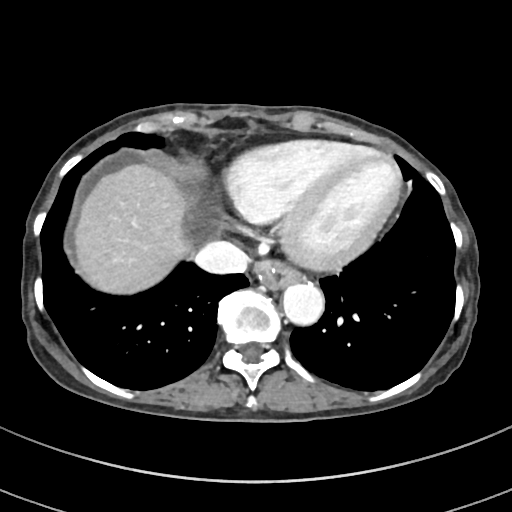 CT, abdomen/pelvis. axial view. W/L 400/40 HU. 512x512 px. scan has 14 labeled organs (a whole-scan count: organs this slice does not pass through have no box)
{"organs":{"liver":[74,164,190,293],"aorta":[282,283,323,325],"esophagus":[254,260,302,289],"inferior vena cava":[195,241,248,274]}}